CT of the abdomen reaching into the lower chest, slice just above the liver and spleen. axial plane, index 92. soft-tissue window. 512x512 px. 48-year-old female patient
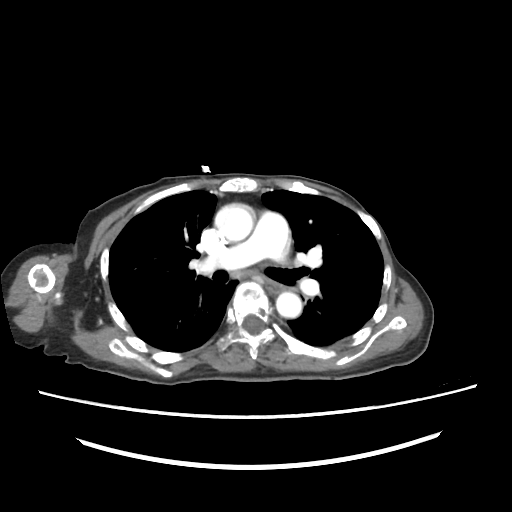 No part of the heart or lungs is labeled in this dataset, so neither has a box here.
Organ boxes in pixel coordinates; each row gives the top-left (x1, y1) and bottom-right (x2, y2) corners.
| organ | x1 | y1 | x2 | y2 |
|---|---|---|---|---|
| esophagus | 266 | 281 | 282 | 292 |
| aorta | 214 | 203 | 254 | 241 |
| aorta | 276 | 292 | 302 | 318 |